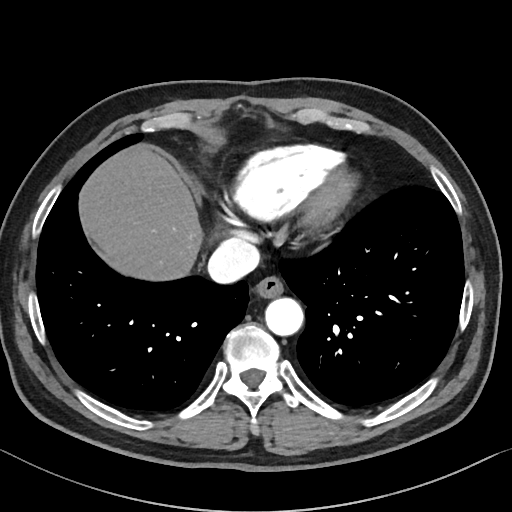 CT abdomen · axial plane, index 199 · 512x512 px
{"organs":{"esophagus":[255,275,284,297],"liver":[77,146,203,278],"aorta":[265,297,303,335],"inferior vena cava":[207,240,259,284]}}